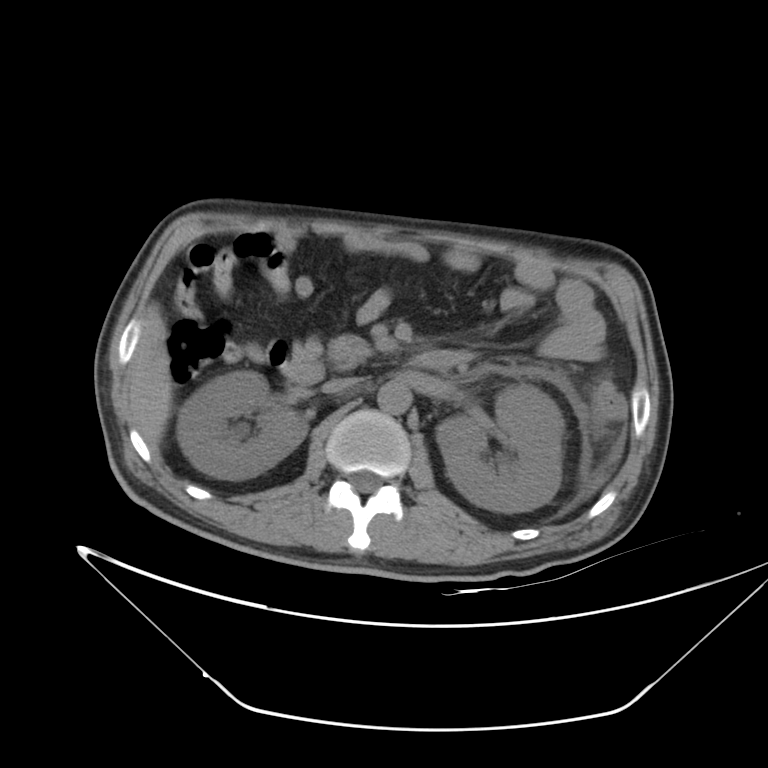
Computed tomography, abdomen · Axial slice 69/107
Box edges are left/top/right/bottom in pixels.
right kidney: left=177, top=371, right=307, bottom=479
left kidney: left=436, top=385, right=563, bottom=512
liver: left=130, top=326, right=168, bottom=441
aorta: left=377, top=381, right=412, bottom=414
inferior vena cava: left=322, top=377, right=358, bottom=393
pancreas: left=328, top=335, right=370, bottom=368
duodenum: left=281, top=351, right=455, bottom=385